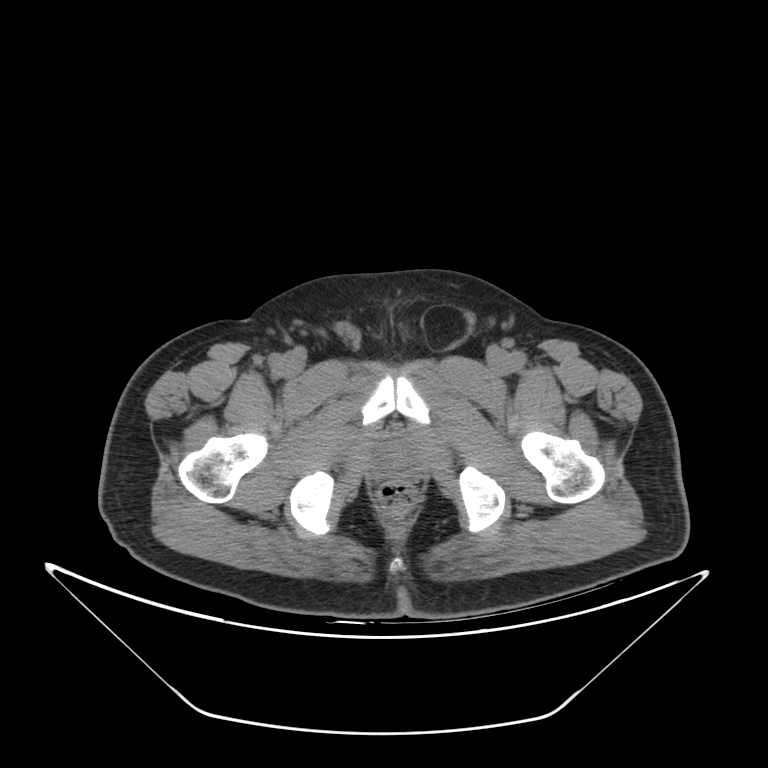 CT, abdomen/pelvis — axial view — soft-tissue window (W 400 / L 40)
{"organs":{"prostate/uterus":[375,438,415,472]}}